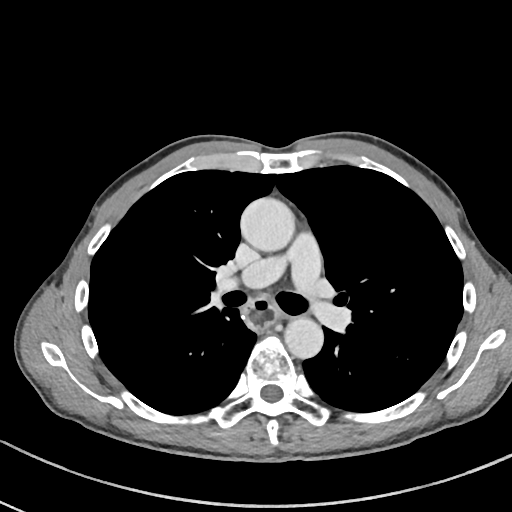 Chest-level CT slice, above the liver and spleen — axial plane, index 248 — soft-tissue window, W/L 400/40 — 512x512 px
At this level of the chest this dataset labels only the esophagus and the aorta, and each is boxed only where it is labeled; the heart and lungs are never labeled.
Bounding boxes in pixels, one row per box: x1, y1 is the top-left corner and x2, y2 the bottom-right.
| organ | x1 | y1 | x2 | y2 |
|---|---|---|---|---|
| aorta | 240 | 198 | 295 | 253 |
| aorta | 283 | 317 | 323 | 358 |
| esophagus | 245 | 296 | 274 | 330 |